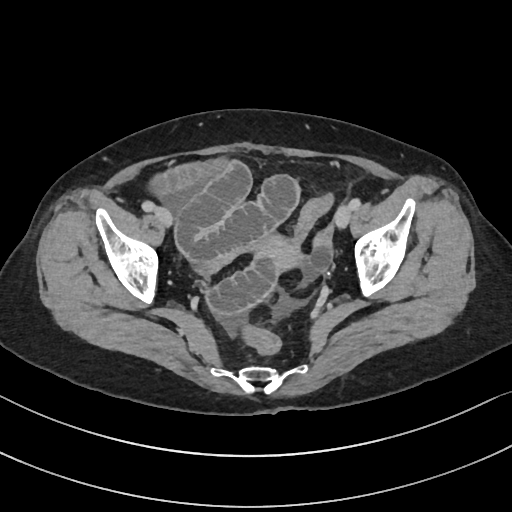

CT abdomen · axial plane, index 44 · 512x512 px · SOMATOM Force scanner
Bounding boxes as [x1, y1, x2, y2] in pixel coordinates.
prostate/uterus: [257, 234, 302, 268]